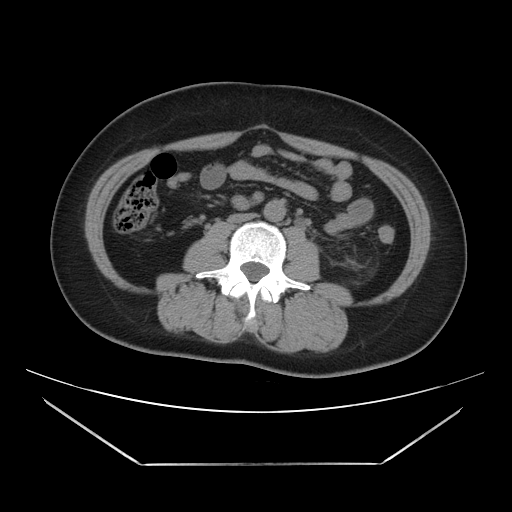

Computed tomography, abdomen — axial view — 512x512 px — acquired on SOMATOM Force
Boxes are (x1, y1, x2, y2) in pixels.
aorta: (263, 199, 285, 221)
inferior vena cava: (228, 213, 255, 223)